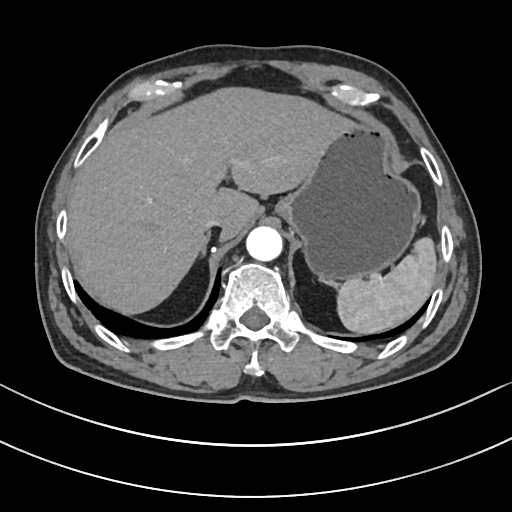 Computed tomography, abdomen. axial view
Boxes: x1 y1 x2 y2 (pixel coords, space-separated).
Organ bounding boxes:
- spleen: 337 236 435 332
- aorta: 246 227 282 261
- inferior vena cava: 203 220 221 231
- liver: 67 89 344 313
- right adrenal gland: 203 233 212 255
- stomach: 273 121 421 279